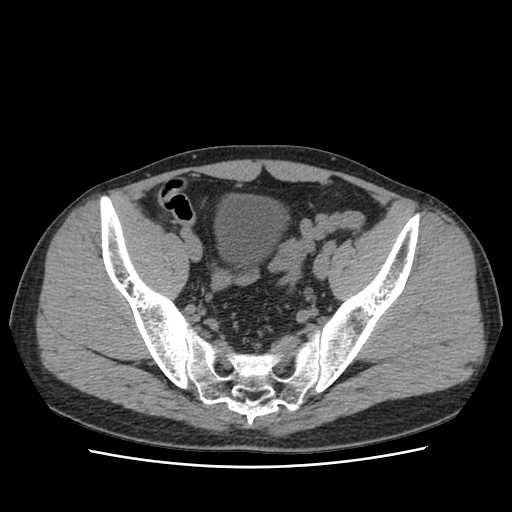
Abdominal CT — Axial slice 50/167 — soft-tissue window (W 400 / L 40) — SOMATOM Force scanner
Boxes are (x1, y1, x2, y2) in pixels. Labeled organs on this slice: bladder at (216, 192, 287, 268).